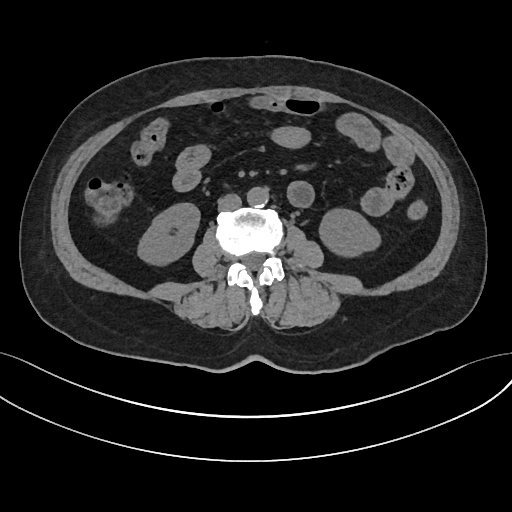

CT, abdomen/pelvis; axial view
Coordinates as <box>x1,y1,x2,y2</box> in pixels.
Organ bounding boxes:
- right kidney: <box>139,203,199,263</box>
- inferior vena cava: <box>217,194,241,212</box>
- aorta: <box>247,187,269,207</box>
- left kidney: <box>320,210,379,256</box>